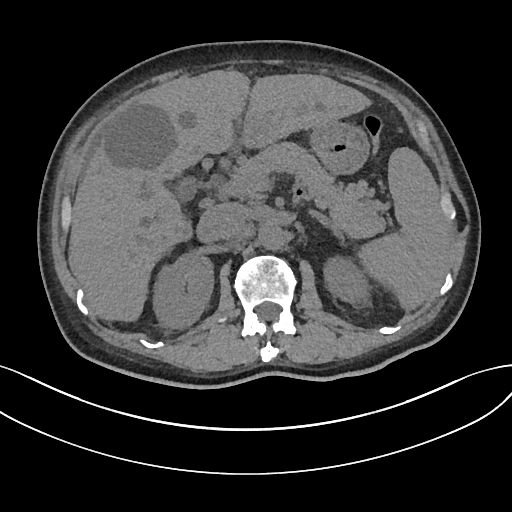

Computed tomography, abdomen; axial plane, index 145; W/L 400/40 HU; 512x512 px
Bounding boxes as [x1, y1, x2, y2] in pixel coordinates. 10 labeled organs on this slice — gall bladder at [177, 176, 198, 198]; left adrenal gland at [310, 210, 345, 242]; aorta at [259, 223, 287, 250]; right kidney at [153, 253, 213, 327]; left kidney at [323, 257, 366, 301]; stomach at [312, 123, 370, 176]; liver at [68, 70, 372, 322]; spleen at [360, 147, 450, 310]; pancreas at [234, 143, 386, 238]; inferior vena cava at [199, 203, 247, 241].